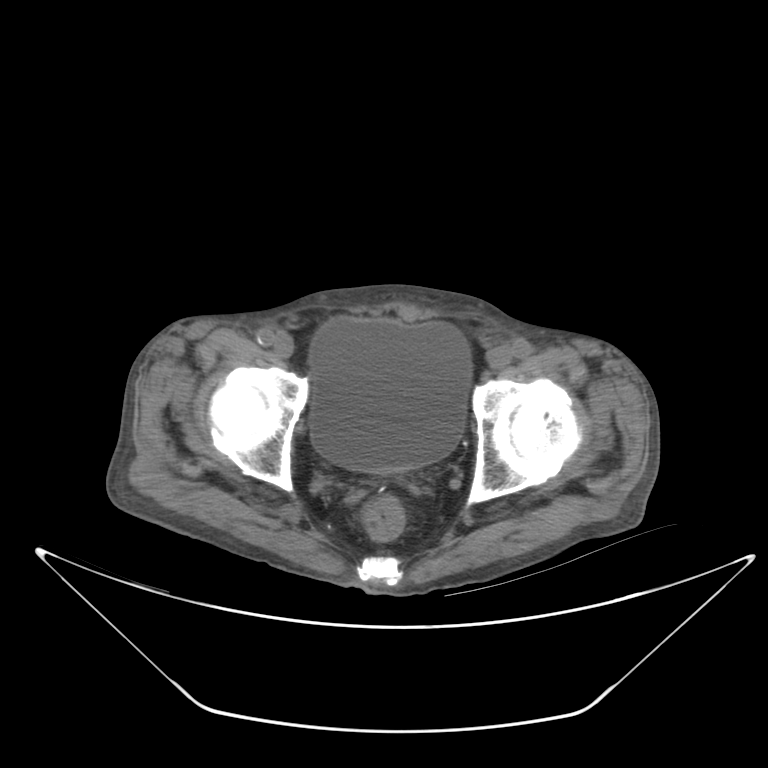 CT abdomen. axial view. soft-tissue window. 68-year-old male patient
Boxes: x1 y1 x2 y2 (pixel coords, space-separated).
bladder: 311 319 472 472